Abdominal CT — axial view — W/L 400/40 HU
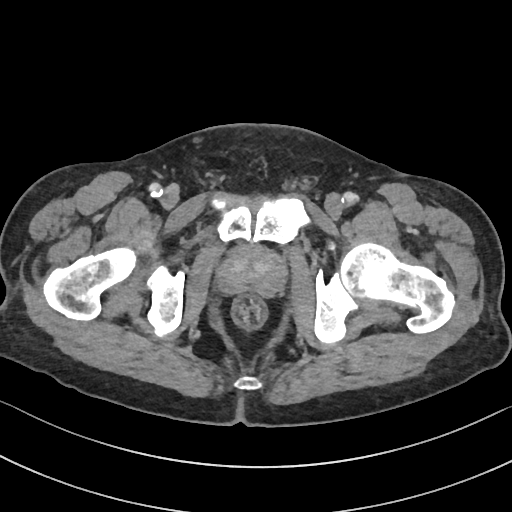 Boxes are (x1, y1, x2, y2) in pixels.
prostate/uterus: (219, 248, 284, 295)